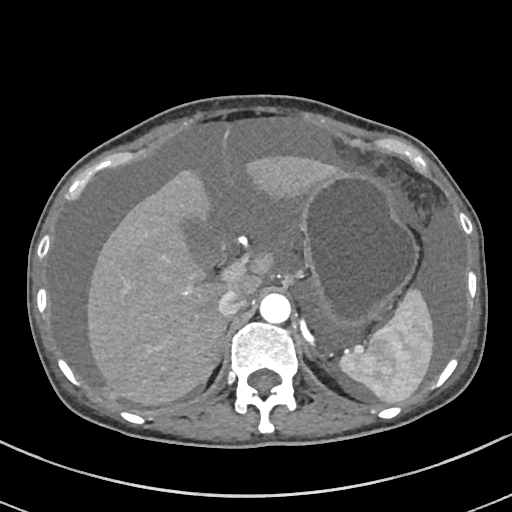 Computed tomography, abdomen · Axial slice 175/237 · 15 organs annotated in this scan (that count is for the whole scan; organs this slice misses have no box)
Bounding boxes as [x1, y1, x2, y2] in pixel coordinates. Labeled organs on this slice: inferior vena cava at [217, 288, 246, 317], spleen at [340, 289, 434, 403], left kidney at [323, 362, 338, 374], aorta at [259, 293, 290, 322], liver at [87, 155, 336, 404], left adrenal gland at [303, 341, 311, 356], gall bladder at [179, 214, 223, 267], stomach at [300, 172, 415, 326], right adrenal gland at [211, 319, 229, 368].